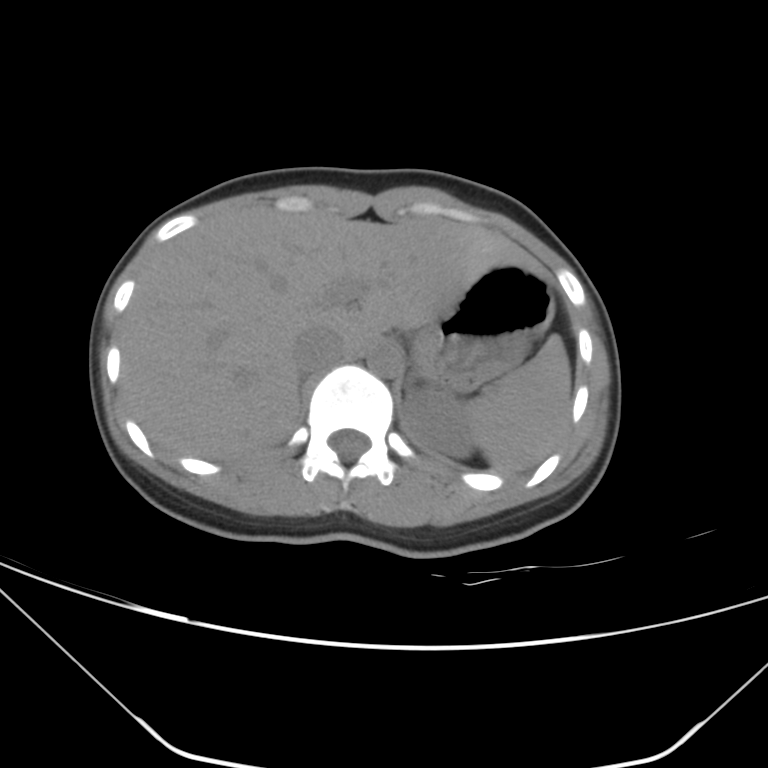
CT abdomen — Axial slice 63/68 — soft-tissue window (W 400 / L 40) — 15 organs annotated in this scan (counted over the whole 3D scan, not this slice; an organ is boxed only where this slice passes through it)
{"organs":{"liver":[121,209,537,458],"spleen":[466,335,570,470],"stomach":[412,264,555,389],"left kidney":[402,390,475,456],"aorta":[368,343,403,377],"inferior vena cava":[293,328,346,372],"left adrenal gland":[406,373,415,391]}}